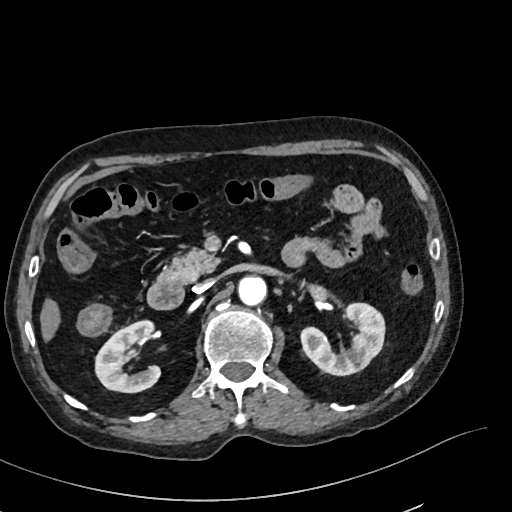

Computed tomography, abdomen. axial view. soft-tissue window (W 400 / L 40)
Box edges are left/top/right/bottom in pixels.
right kidney: left=94, top=321, right=160, bottom=392
left kidney: left=300, top=303, right=385, bottom=375
liver: left=40, top=299, right=60, bottom=341
aorta: left=238, top=276, right=266, bottom=306
inferior vena cava: left=193, top=279, right=213, bottom=293
pancreas: left=159, top=246, right=219, bottom=283
duodenum: left=147, top=276, right=184, bottom=310